Abdominal CT — axial plane, index 144 — 15 organs annotated in this scan (that count is for the whole scan; organs this slice misses have no box)
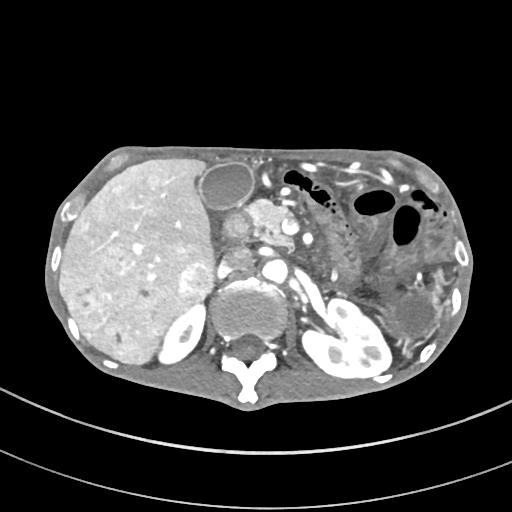

{"organs":{"spleen":[432,270,443,304],"right kidney":[159,303,205,363],"left kidney":[302,299,390,378],"gall bladder":[198,163,253,209],"liver":[59,157,214,364],"aorta":[262,258,287,283],"inferior vena cava":[221,247,251,273],"pancreas":[247,199,293,247],"duodenum":[224,211,252,239]}}